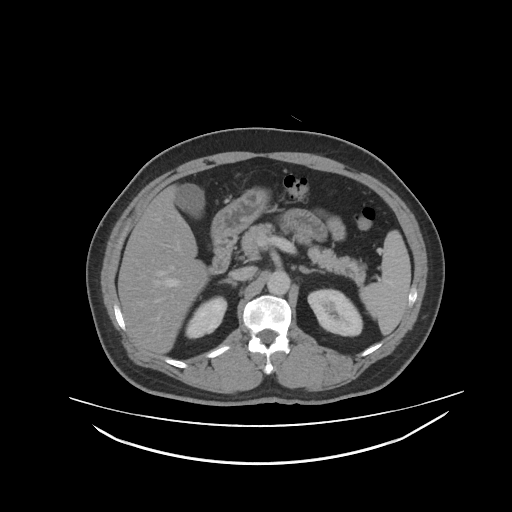 Abdominal CT; Axial slice 72/96; W/L 400/40 HU; 45-year-old male patient; Aquilion ONE scanner
Each box given as x1,y1,x2,y2. 12 labeled organs on this slice — spleen at x1=360, y1=232, x2=410, y2=336; right kidney at x1=185, y1=297, x2=226, y2=338; left kidney at x1=308, y1=289, x2=362, y2=335; gall bladder at x1=176, y1=184, x2=204, y2=216; liver at x1=117, y1=184, x2=209, y2=355; stomach at x1=211, y1=188, x2=269, y2=239; aorta at x1=267, y1=271, x2=290, y2=294; inferior vena cava at x1=233, y1=266, x2=256, y2=280; pancreas at x1=241, y1=224, x2=366, y2=286; right adrenal gland at x1=215, y1=279, x2=237, y2=286; left adrenal gland at x1=299, y1=266, x2=325, y2=274; duodenum at x1=209, y1=236, x2=237, y2=274.